Abdominal CT · axial view · abdomen soft-tissue window · scan has 15 labeled organs (a whole-scan count: organs this slice does not pass through have no box)
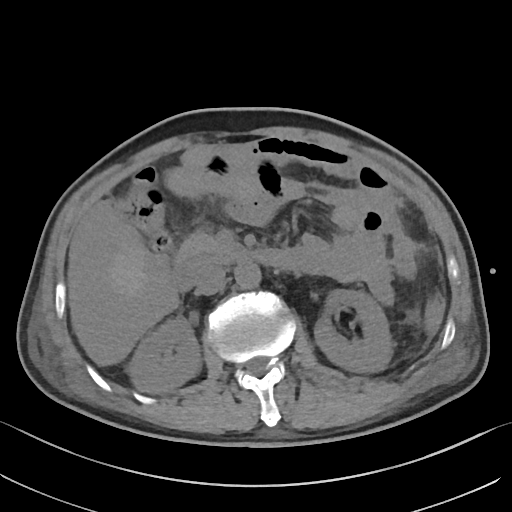

Coordinates as <box>x1,y1,x2,y2</box> in pixels.
Organ bounding boxes:
- right kidney: <box>129,318,200,392</box>
- left kidney: <box>314,289,392,373</box>
- liver: <box>106,246,144,300</box>
- aorta: <box>234,263,261,288</box>
- inferior vena cava: <box>195,268,225,295</box>
- pancreas: <box>176,233,241,259</box>
- duodenum: <box>173,248,293,291</box>